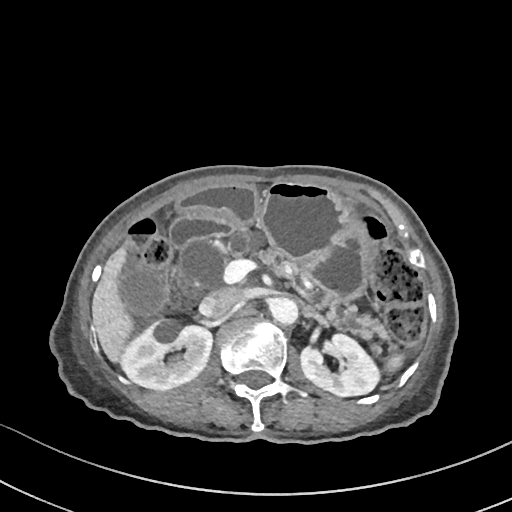 Computed tomography, abdomen; axial view; abdomen soft-tissue window; scan has 15 labeled organs (counted over the whole 3D scan, not this slice; an organ is boxed only where this slice passes through it)
Bounding boxes as [x1, y1, x2, y2] in pixel coordinates.
left kidney: [300, 332, 381, 396]
pancreas: [227, 224, 386, 338]
spleen: [385, 355, 405, 371]
stomach: [178, 183, 370, 298]
duodenum: [170, 212, 234, 247]
gall bladder: [119, 270, 164, 314]
inferior vena cava: [200, 287, 248, 318]
aorta: [269, 297, 297, 323]
right kidney: [118, 317, 211, 388]
liver: [92, 248, 131, 362]